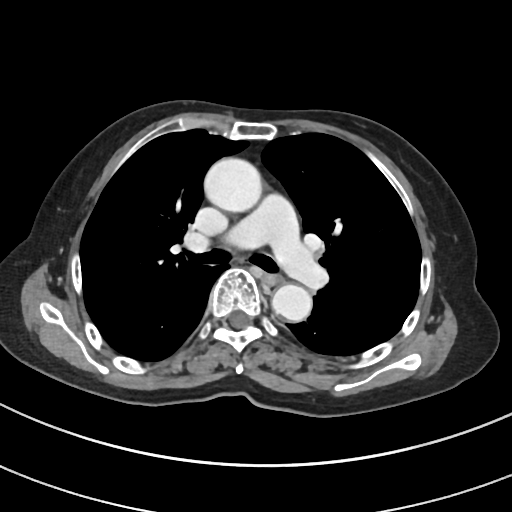

CT of the abdomen extending into the chest, slice through the chest. axial view. soft-tissue window (W 400 / L 40). 512x512 px
At this level of the chest this dataset labels only the esophagus and the aorta, and each is boxed only where it is labeled; the heart and lungs are never labeled.
Organ boxes in pixel coordinates; each row gives the top-left (x1, y1) and bottom-right (x2, y2) corners.
| organ | x1 | y1 | x2 | y2 |
|---|---|---|---|---|
| esophagus | 264 | 272 | 282 | 284 |
| aorta | 204 | 157 | 262 | 212 |
| aorta | 271 | 284 | 312 | 321 |